Abdominal CT; axial view; acquired on SOMATOM Force
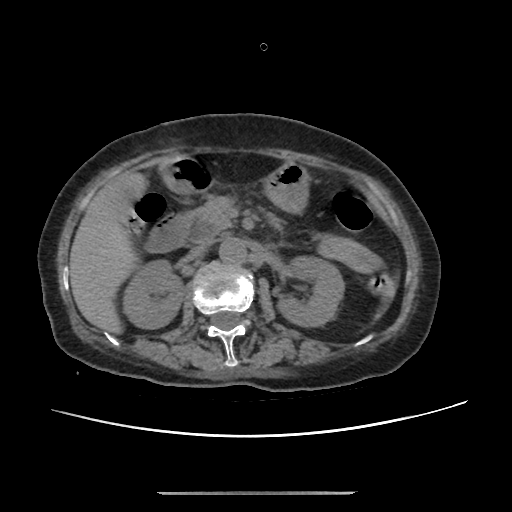 Boxes: x1 y1 x2 y2 (pixel coords, space-separated).
Organ bounding boxes:
- right kidney: 124 260 184 328
- left kidney: 276 256 344 327
- liver: 69 170 144 335
- stomach: 165 163 308 214
- aorta: 219 238 248 266
- inferior vena cava: 187 243 209 260
- pancreas: 197 195 281 235
- duodenum: 146 159 211 252